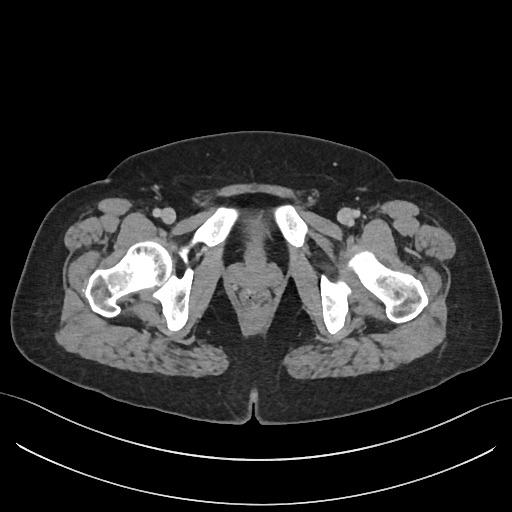
CT abdomen. axial view. soft-tissue window (W 400 / L 40). SOMATOM Force scanner
Bounding boxes as [x1, y1, x2, y2] in pixel coordinates. 1 labeled organ on this slice — bladder at [251, 224, 262, 243].